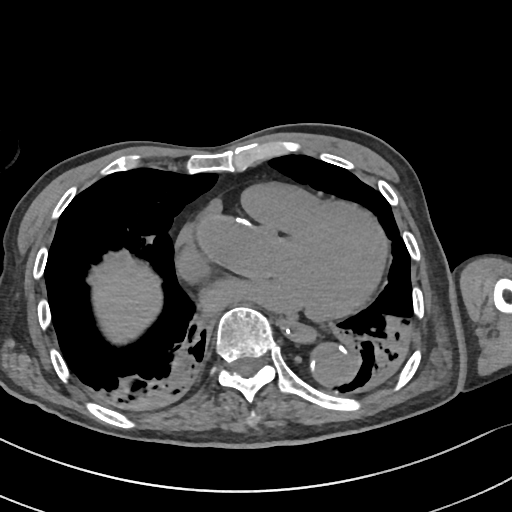

CT, abdomen/pelvis — axial view — abdomen soft-tissue window
Boxes: x1 y1 x2 y2 (pixel coords, space-separated). Labeled organs on this slice: esophagus at 279 319 316 342, liver at 92 264 162 343, aorta at 310 344 352 383.